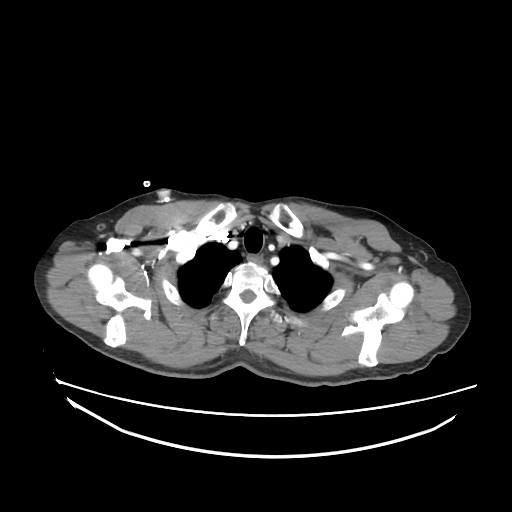
CT of the abdomen extending into the chest, slice through the chest; Axial slice 127/134; 512x512 px; 52-year-old male patient
At this level of the chest no structure but the esophagus and the aorta has a label in this dataset, and those two are boxed only where they are labeled.
Bounding boxes in pixels, one row per box: x1, y1 is the top-left corner and x2, y2 the bottom-right.
| organ | x1 | y1 | x2 | y2 |
|---|---|---|---|---|
| esophagus | 248 | 254 | 261 | 262 |